CT abdomen. axial view
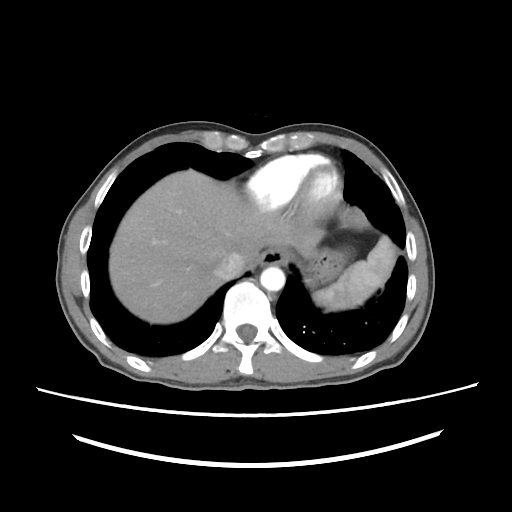 Boxes: x1 y1 x2 y2 (pixel coords, space-separated). Labeled organs on this slice: spleen at 312 236 395 310, esophagus at 258 248 290 264, liver at 109 169 323 323, stomach at 301 249 351 287, aorta at 260 265 284 291, inferior vena cava at 214 252 244 277.